Abdominal CT · Axial slice 76/345
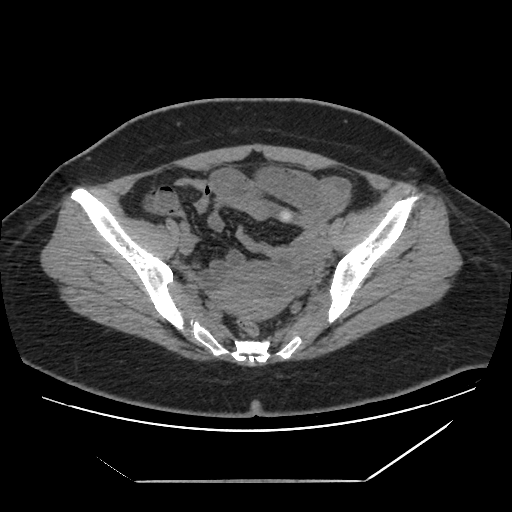
Boxes: x1:y1:x2:y2 in pixels. Labeled organs on this slice: prostate/uterus at 216:263:296:320.